CT abdomen. axial plane, index 19. soft-tissue window (W 400 / L 40)
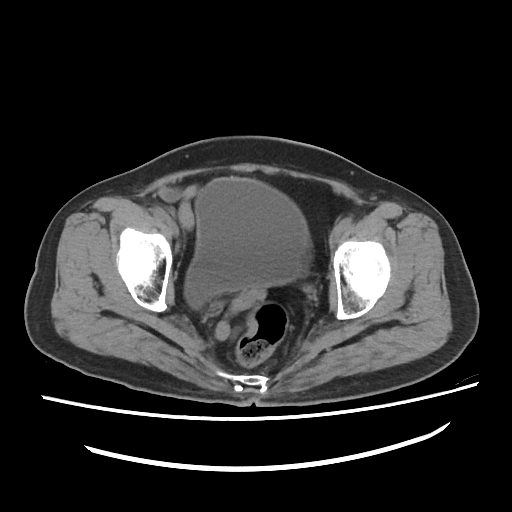

Boxes: x1 y1 x2 y2 (pixel coords, space-separated).
Organ bounding boxes:
- bladder: 185 177 309 307